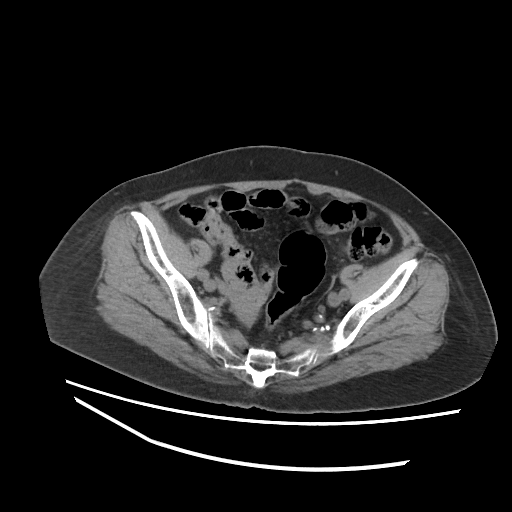
Computed tomography, abdomen. axial plane, index 23. abdomen soft-tissue window. scan has 15 labeled organs (a whole-scan count: organs this slice does not pass through have no box)
<organs><organ name="prostate/uterus" x1="236" y1="304" x2="256" y2="323"/></organs>